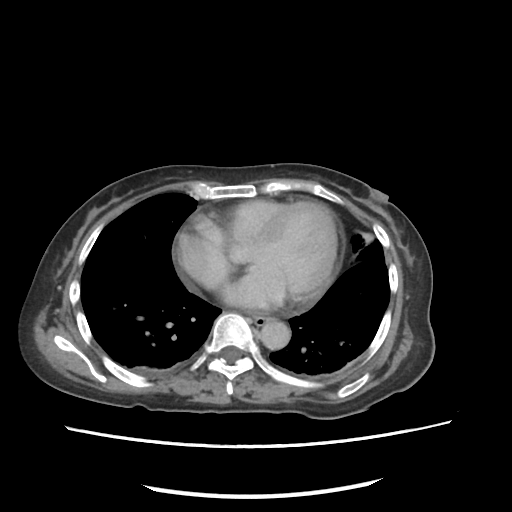
Abdominal CT; this slice is in the lower chest, just above the liver — axial view — Aquilion ONE scanner — scan has 14 labeled organs (that count is for the whole scan; organs this slice misses have no box)
No part of the heart or lungs is labeled in this dataset, so neither has a box here.
One row per box, in pixels: columns x1 and y1 give the top-left corner, x2 and y2 the bottom-right.
| organ | x1 | y1 | x2 | y2 |
|---|---|---|---|---|
| esophagus | 254 | 317 | 270 | 325 |
| aorta | 261 | 321 | 290 | 349 |